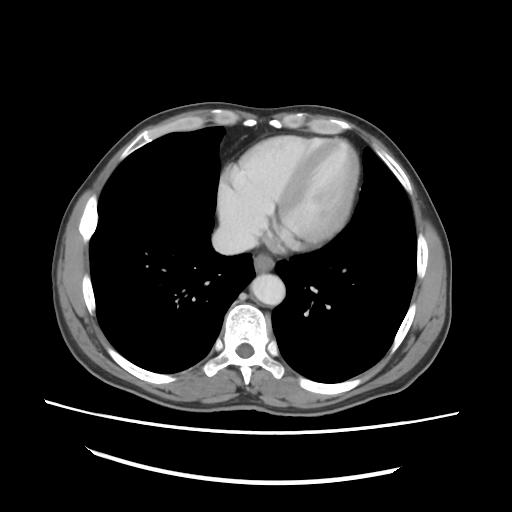
CT of the abdomen reaching into the lower chest, slice just above the liver and spleen. axial view. 512x512 px
The heart and lungs are never labeled in this dataset, so they have no box on this slice.
Bounding boxes in pixels, one row per box: x1, y1 is the top-left corner and x2, y2 the bottom-right.
| organ | x1 | y1 | x2 | y2 |
|---|---|---|---|---|
| esophagus | 254 | 254 | 274 | 272 |
| aorta | 250 | 274 | 285 | 305 |
| inferior vena cava | 212 | 224 | 256 | 254 |